CT of the abdomen reaching into the lower chest, slice just above the liver and spleen; axial view; soft-tissue window (W 400 / L 40); 65-year-old male patient
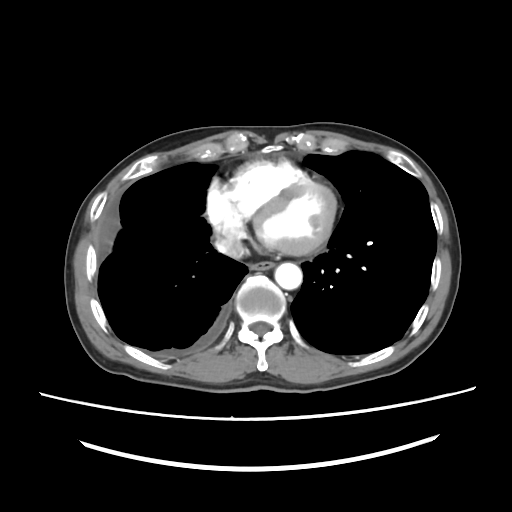
The heart and lungs are never labeled in this dataset, so they have no box on this slice.
Coordinates as <box>x1,y1,x2,y2</box> in pixels.
esophagus: <box>249,261,274,270</box>
aorta: <box>274,262,302,289</box>
inferior vena cava: <box>214,234,243,258</box>